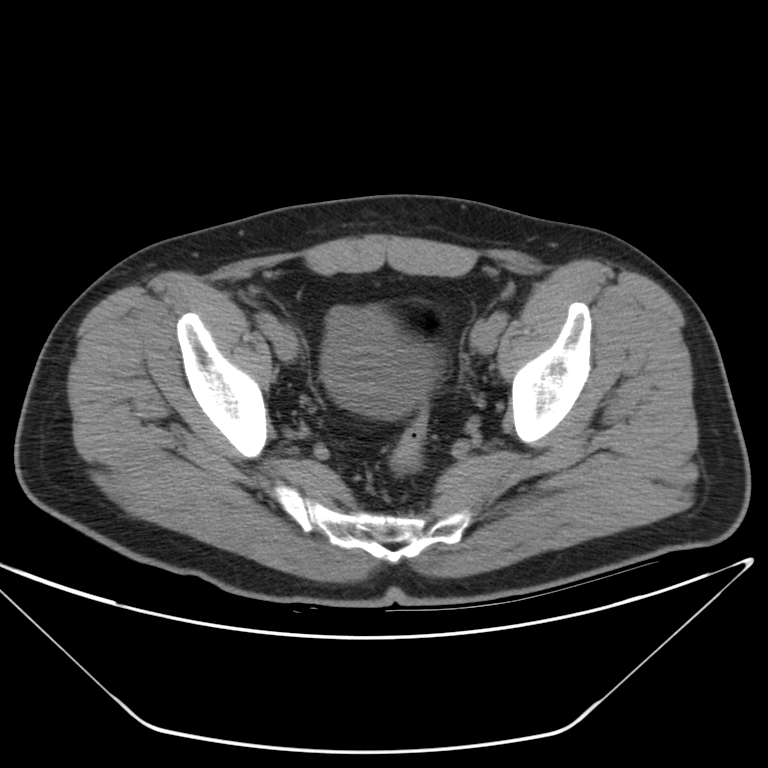
Computed tomography, abdomen; axial view; 768x768 px; 45-year-old male patient
Bounding boxes as [x1, y1, x2, y2] in pixel coordinates.
Organ bounding boxes:
- bladder: [320, 306, 439, 419]